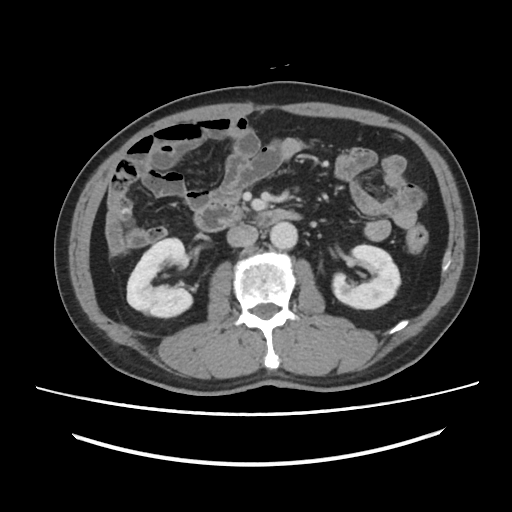 CT, abdomen/pelvis. axial plane, index 56. 512x512 px
Bounding boxes as [x1, y1, x2, y2] in pixel coordinates.
right kidney: [127, 238, 192, 317]
left kidney: [332, 245, 400, 309]
aorta: [270, 222, 297, 249]
inferior vena cava: [226, 224, 258, 246]
duodenum: [194, 199, 301, 231]